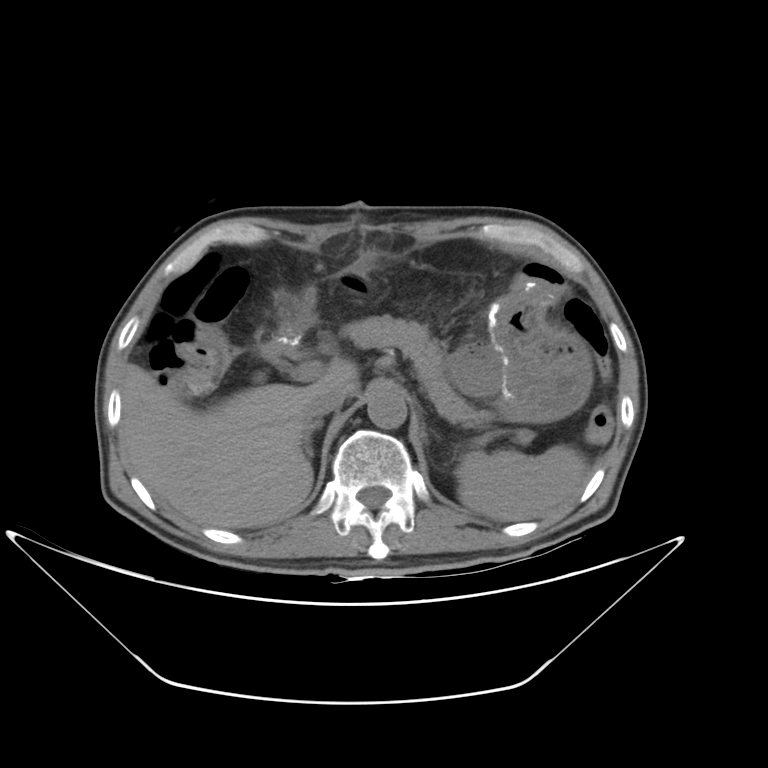 Computed tomography, abdomen — axial plane, index 75 — abdomen soft-tissue window — 768x768 px
{"organs":{"inferior vena cava":[304,388,345,419],"aorta":[367,388,407,429],"right adrenal gland":[303,420,323,458],"duodenum":[258,338,289,361],"liver":[122,359,359,528],"pancreas":[341,315,492,426],"spleen":[455,445,588,522],"stomach":[448,343,500,398]}}